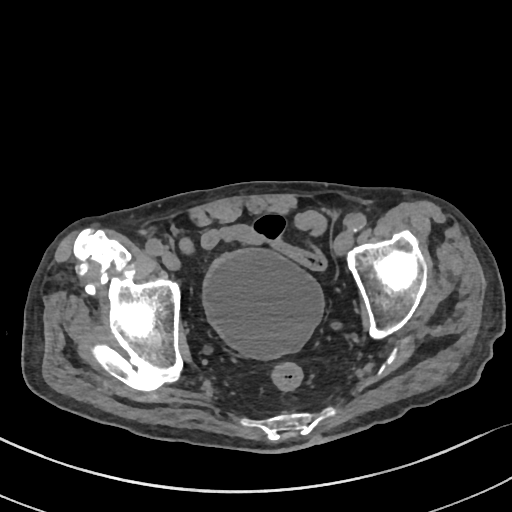
Computed tomography, abdomen · axial view
<organs><organ name="bladder" x1="202" y1="248" x2="324" y2="359"/></organs>